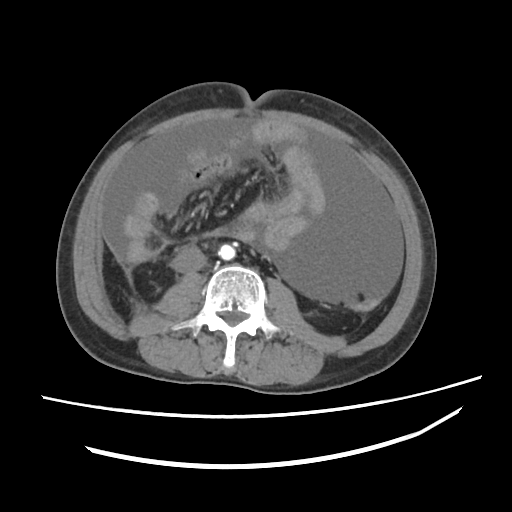
Computed tomography, abdomen; Axial slice 57/103; abdomen soft-tissue window; 50-year-old male patient; Aquilion ONE scanner; scan has 15 labeled organs (that count is for the whole scan; organs this slice misses have no box)
Organ boxes in pixel coordinates; each row gives the top-left (x1, y1) and bottom-right (x2, y2) corners.
| organ | x1 | y1 | x2 | y2 |
|---|---|---|---|---|
| inferior vena cava | 174 | 248 | 206 | 274 |
| aorta | 218 | 244 | 236 | 260 |